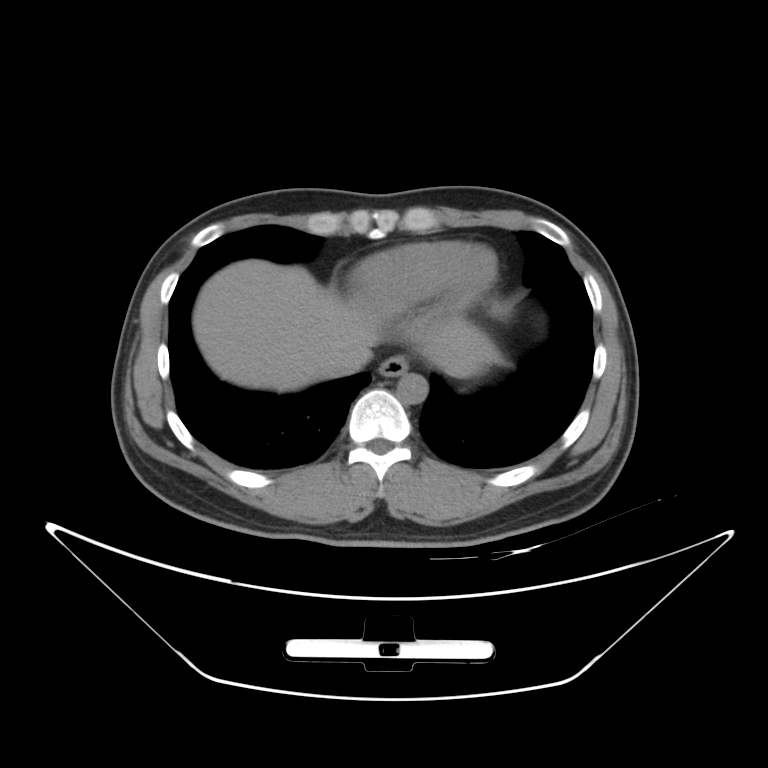

Computed tomography, abdomen — axial view — W/L 400/40 HU — 768x768 px — 25-year-old male patient — acquired on Brilliance16 — scan has 15 labeled organs (counted over the whole 3D scan, not this slice; an organ is boxed only where this slice passes through it)
Box edges are left/top/right/bottom in pixels.
Organ bounding boxes:
- inferior vena cava: left=320, top=345, right=371, bottom=377
- stomach: left=478, top=369, right=482, bottom=372
- aorta: left=396, top=372, right=428, bottom=403
- liver: left=192, top=259, right=499, bottom=391
- esophagus: left=378, top=355, right=408, bottom=377